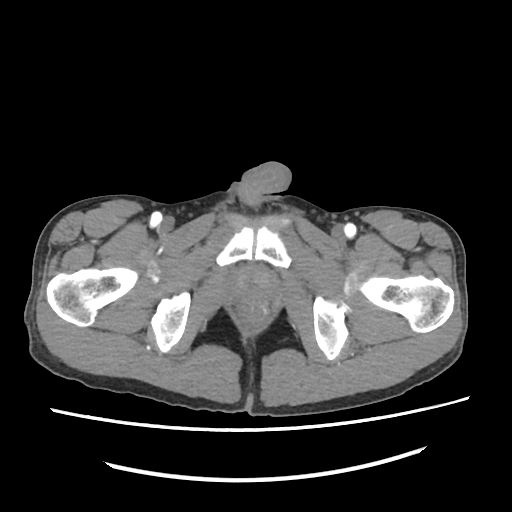 Abdominal CT. axial view. W/L 400/40 HU. scan has 15 labeled organs (that count is for the whole scan; organs this slice misses have no box)
Box edges are left/top/right/bottom in pixels.
prostate/uterus: left=225, top=265, right=278, bottom=303